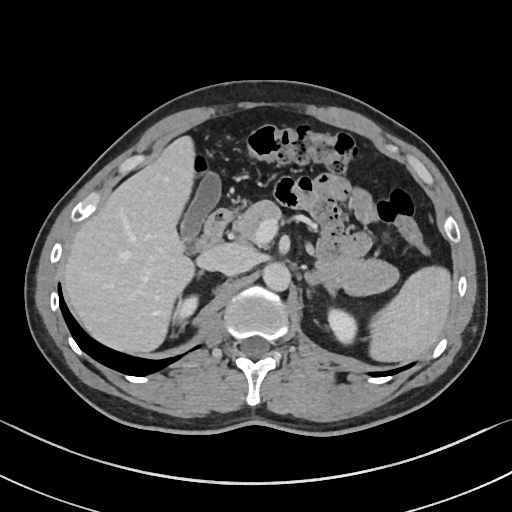
CT, abdomen/pelvis; axial view; soft-tissue window
<organs><organ name="aorta" x1="263" y1="263" x2="290" y2="293"/><organ name="spleen" x1="369" y1="267" x2="451" y2="362"/><organ name="left adrenal gland" x1="304" y1="269" x2="335" y2="300"/><organ name="liver" x1="63" y1="135" x2="195" y2="352"/><organ name="duodenum" x1="199" y1="200" x2="244" y2="250"/><organ name="right kidney" x1="177" y1="296" x2="197" y2="318"/><organ name="left kidney" x1="328" y1="308" x2="355" y2="343"/><organ name="gall bladder" x1="181" y1="171" x2="221" y2="254"/><organ name="pancreas" x1="238" y1="200" x2="399" y2="295"/><organ name="inferior vena cava" x1="206" y1="246" x2="253" y2="277"/><organ name="right adrenal gland" x1="197" y1="272" x2="205" y2="278"/></organs>